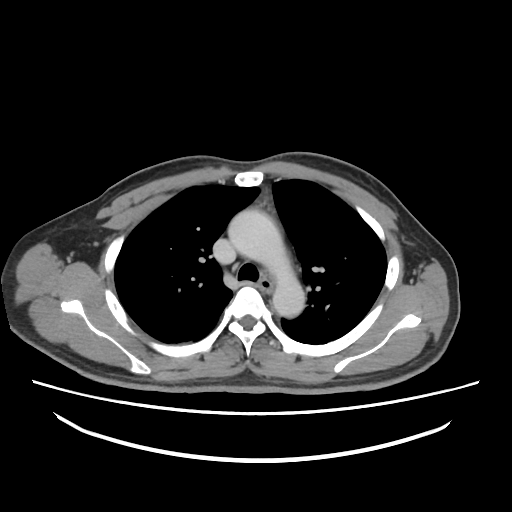
CT of the abdomen extending into the chest, slice through the chest · Axial slice 116/133 · W/L 400/40 HU · 31-year-old male patient
At this level of the chest this dataset labels only the esophagus and the aorta, and each is boxed only where it is labeled; the heart and lungs are never labeled. Boxes are (x1, y1, x2, y2) in pixels. The annotated organs in this slice are: esophagus at (259, 278, 272, 291), aorta at (228, 209, 304, 317).